Computed tomography, abdomen. axial view. 512x512 px
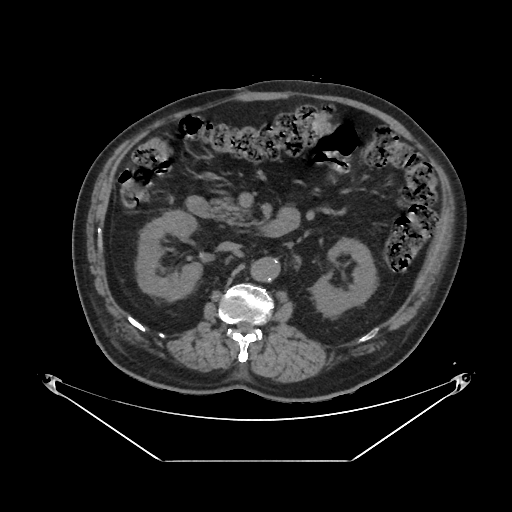 {"organs":{"right kidney":[136,210,202,300],"left kidney":[311,238,376,316],"aorta":[251,257,279,280],"inferior vena cava":[218,241,240,251],"pancreas":[210,198,255,227],"duodenum":[188,196,290,237]}}